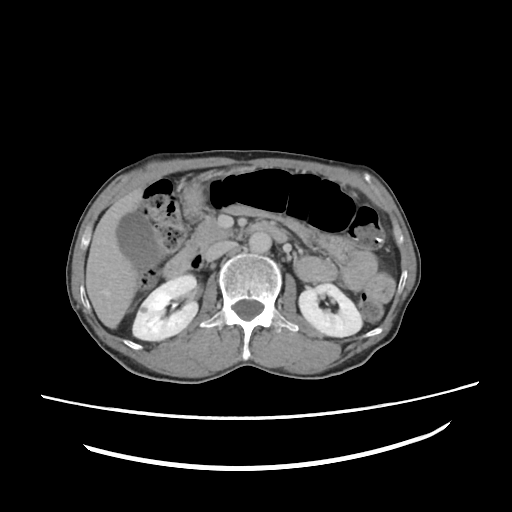 CT abdomen — axial view — soft-tissue window (W 400 / L 40) — 512x512 px — 72-year-old male patient — Aquilion ONE scanner
One row per box, in pixels: columns x1 and y1 give the top-left corner, x2 and y2 the bottom-right.
| organ | x1 | y1 | x2 | y2 |
|---|---|---|---|---|
| left kidney | 299 | 282 | 363 | 337 |
| stomach | 180 | 166 | 254 | 217 |
| gall bladder | 117 | 211 | 158 | 267 |
| aorta | 249 | 233 | 271 | 253 |
| right kidney | 132 | 275 | 198 | 341 |
| duodenum | 164 | 221 | 287 | 275 |
| liver | 86 | 183 | 146 | 327 |
| inferior vena cava | 205 | 242 | 234 | 260 |
| pancreas | 184 | 219 | 233 | 253 |